Abdominal CT — Axial slice 43/131 — soft-tissue window (W 400 / L 40) — 512x512 px
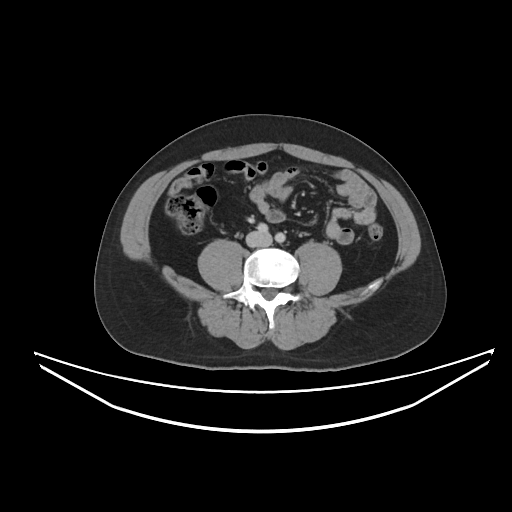
Boxes: x1 y1 x2 y2 (pixel coords, space-separated). 1 labeled organ on this slice — inferior vena cava at 246 231 271 247.